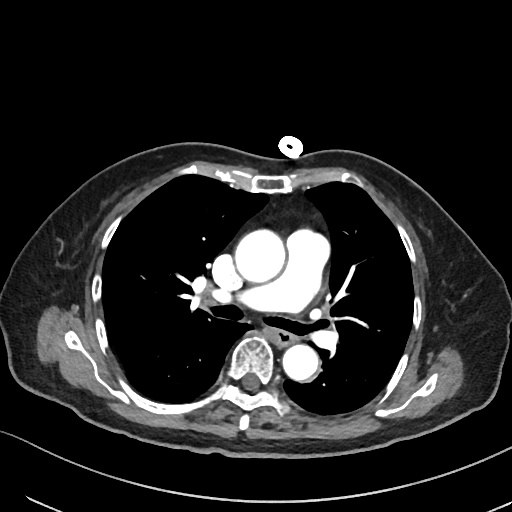

Chest-level CT slice, above the liver and spleen — Axial slice 245/297
On a slice this high in the chest, this dataset labels only the esophagus and the aorta, and each is boxed only where it is labeled; the heart, lungs and other chest structures are not labeled.
Organ boxes in pixel coordinates; each row gives the top-left (x1, y1) and bottom-right (x2, y2) corners.
| organ | x1 | y1 | x2 | y2 |
|---|---|---|---|---|
| esophagus | 271 | 330 | 294 | 345 |
| aorta | 235 | 229 | 285 | 281 |
| aorta | 282 | 344 | 317 | 380 |